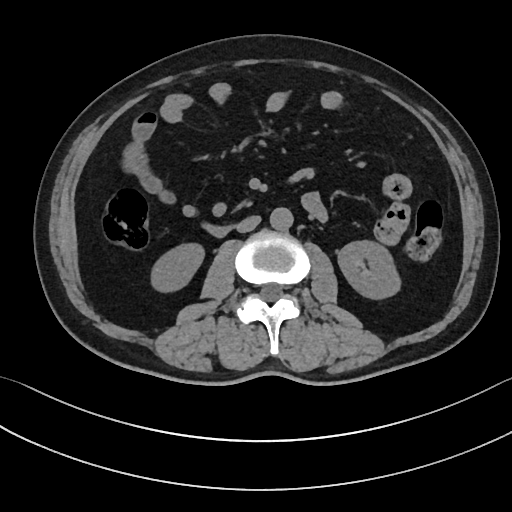

Abdominal CT — Axial slice 131/231 — soft-tissue window — SOMATOM Force scanner
Bounding boxes in pixels, one row per box: x1, y1 is the top-left corner and x2, y2 the bottom-right.
| organ | x1 | y1 | x2 | y2 |
|---|---|---|---|---|
| right kidney | 153 | 245 | 202 | 290 |
| left kidney | 338 | 241 | 400 | 298 |
| aorta | 269 | 206 | 293 | 230 |
| inferior vena cava | 236 | 215 | 261 | 232 |
| duodenum | 202 | 223 | 229 | 235 |